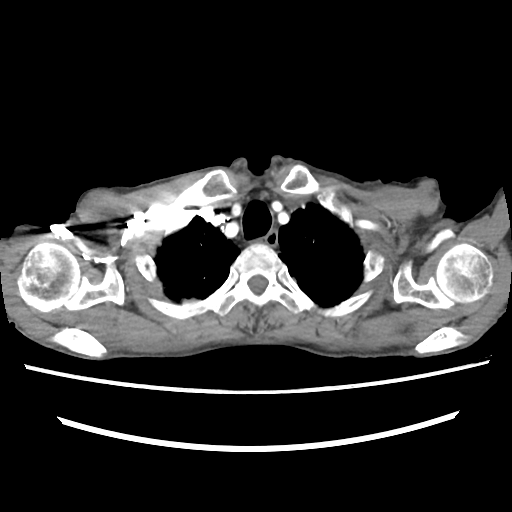 CT of the abdomen extending into the chest, slice through the chest. axial view. soft-tissue window, W/L 400/40. 512x512 px
At this level of the chest this dataset labels only the esophagus and the aorta, and each is boxed only where it is labeled; the heart and lungs are never labeled.
Boxes are (x1, y1, x2, y2) in pixels.
Organ bounding boxes:
- esophagus: (262, 230, 277, 244)